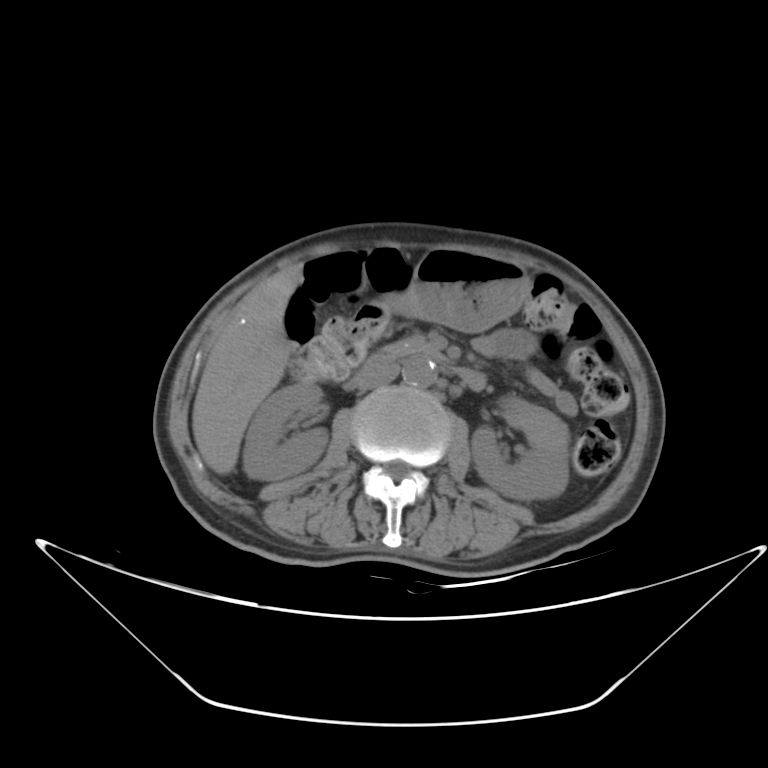 CT abdomen; axial view; soft-tissue window
{"organs":{"inferior vena cava":[359,366,396,388],"aorta":[402,355,436,386],"liver":[191,264,301,473],"stomach":[378,245,532,333],"left kidney":[471,396,568,501],"duodenum":[346,338,487,390],"right kidney":[242,385,328,478]}}